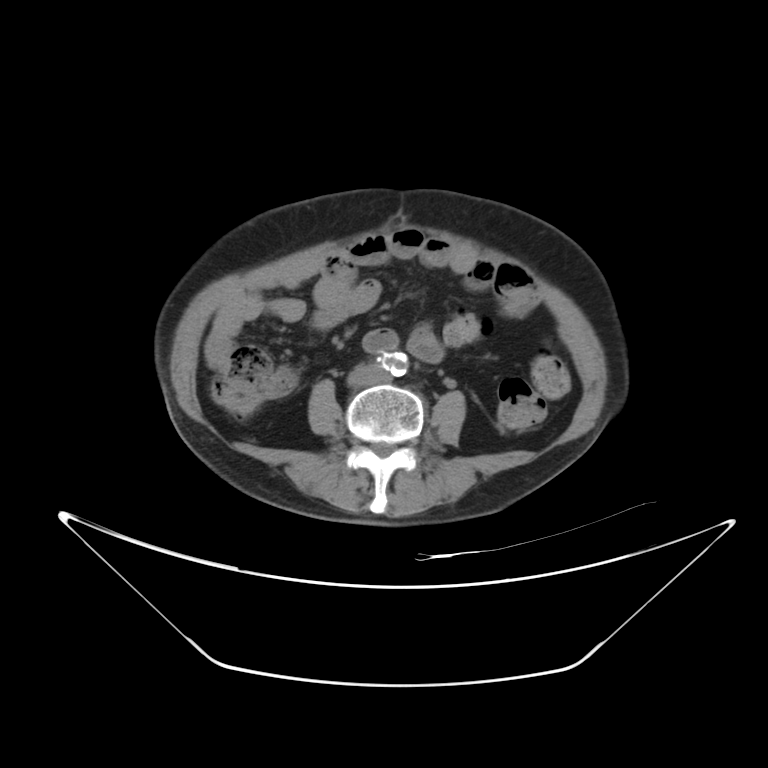

Computed tomography, abdomen. axial plane, index 41. W/L 400/40 HU. 66-year-old female patient
One row per box, in pixels: columns x1 and y1 give the top-left corner, x2 and y2 the bottom-right.
| organ | x1 | y1 | x2 | y2 |
|---|---|---|---|---|
| inferior vena cava | 346 | 365 | 386 | 385 |